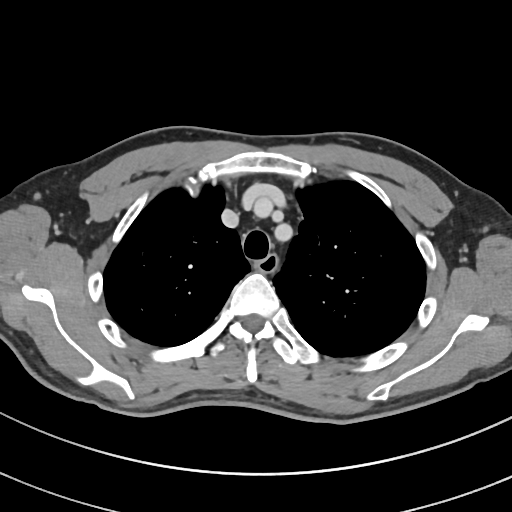
Chest-level slice from an abdominal CT that extends up into the chest. axial view. W/L 400/40 HU. 512x512 px
On a slice this high in the chest, this dataset labels only the esophagus and the aorta, and each is boxed only where it is labeled; the heart, lungs and other chest structures are not labeled.
One row per box, in pixels: columns x1 and y1 give the top-left corner, x2 and y2 the bottom-right.
| organ | x1 | y1 | x2 | y2 |
|---|---|---|---|---|
| esophagus | 257 | 254 | 278 | 271 |